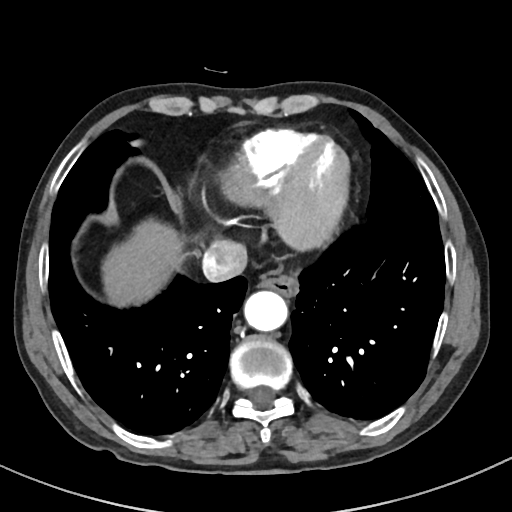 CT, abdomen/pelvis · axial plane, index 209 · scan has 15 labeled organs (a whole-scan count: organs this slice does not pass through have no box)
Boxes are (x1, y1, x2, y2) in pixels.
liver: (101, 218, 183, 306)
esophagus: (258, 265, 298, 297)
aorta: (244, 290, 287, 331)
inferior vena cava: (202, 240, 247, 281)